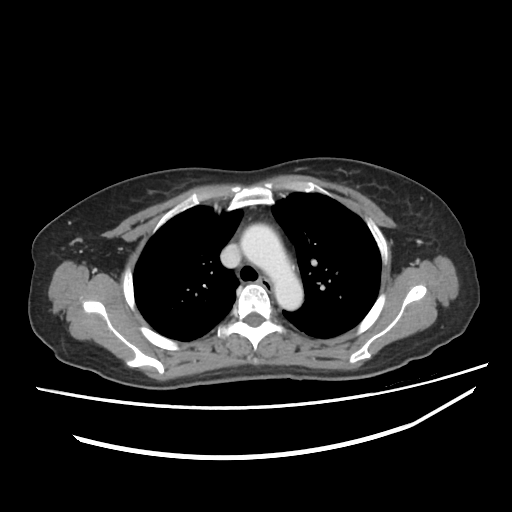
Chest-level slice from an abdominal CT that extends up into the chest — axial plane, index 105 — 512x512 px
At this level of the chest this dataset labels only the esophagus and the aorta, and each is boxed only where it is labeled; the heart and lungs are never labeled.
Bounding boxes as [x1, y1, x2, y2] in pixel coordinates.
Organ bounding boxes:
- esophagus: [260, 276, 272, 291]
- aorta: [240, 223, 303, 310]